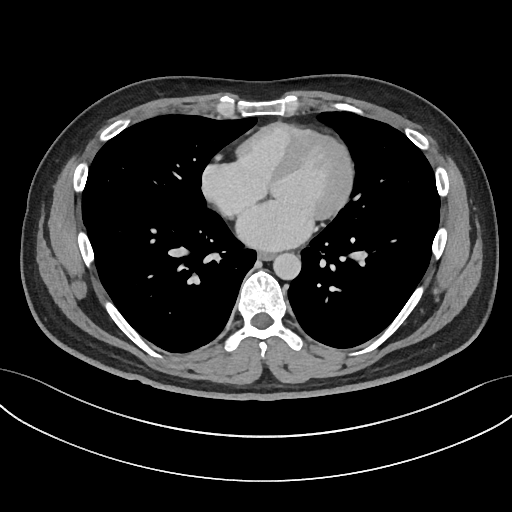
Lower-chest slice from an abdominal CT, just above the liver and spleen · axial view · soft-tissue window (W 400 / L 40)
Of the structures in the chest, this dataset labels only the esophagus, the aorta and the inferior vena cava; the heart and lungs have no label.
{"organs":{"esophagus":[257,252,274,260],"aorta":[273,253,301,280]}}